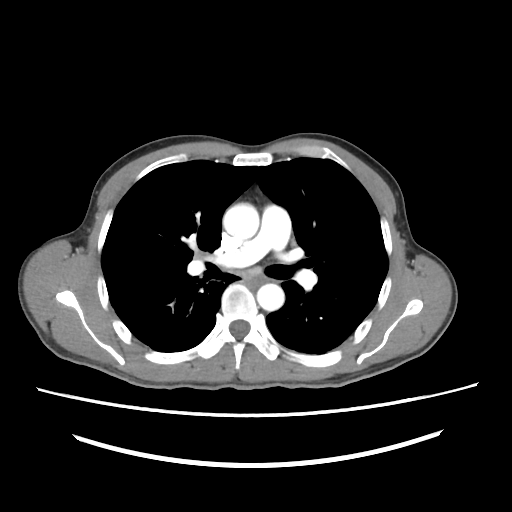

Chest-level slice from an abdominal CT that extends up into the chest · axial view · soft-tissue window (W 400 / L 40)
On a slice this high in the chest, this dataset labels only the esophagus and the aorta, and each is boxed only where it is labeled; the heart, lungs and other chest structures are not labeled.
Bounding boxes as [x1, y1, x2, y2] in pixel coordinates.
Organ bounding boxes:
- aorta: [224, 204, 259, 237]
- aorta: [257, 284, 282, 310]